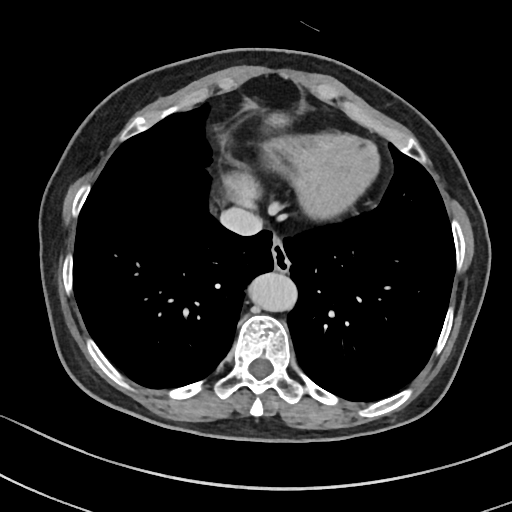

Lower-chest slice from an abdominal CT, just above the liver and spleen; axial view; soft-tissue window
The heart and lungs are never labeled in this dataset, so they have no box on this slice.
Organ boxes in pixel coordinates; each row gives the top-left (x1, y1) and bottom-right (x2, y2) corners.
| organ | x1 | y1 | x2 | y2 |
|---|---|---|---|---|
| esophagus | 271 | 239 | 290 | 271 |
| aorta | 251 | 272 | 299 | 312 |
| inferior vena cava | 220 | 206 | 262 | 236 |